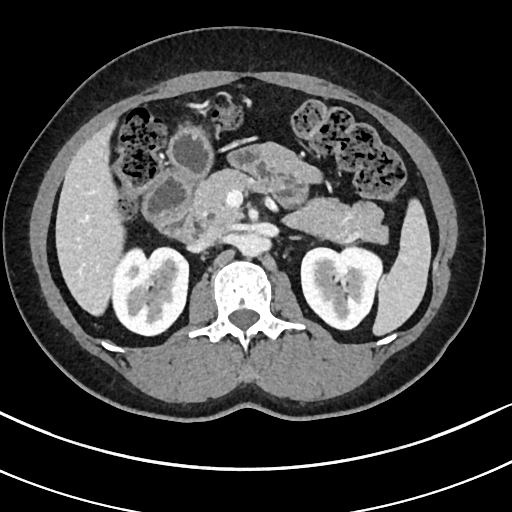
CT, abdomen/pelvis. axial plane, index 142. abdomen soft-tissue window. 15 organs annotated in this scan (that count is for the whole scan; organs this slice misses have no box)
{"organs":{"right kidney":[110,247,188,335],"duodenum":[144,169,206,242],"inferior vena cava":[190,224,225,250],"left kidney":[301,243,384,329],"pancreas":[193,169,389,242],"stomach":[170,127,212,178],"spleen":[373,200,430,334],"left adrenal gland":[288,235,299,239],"aorta":[238,232,263,256],"liver":[55,122,124,314]}}